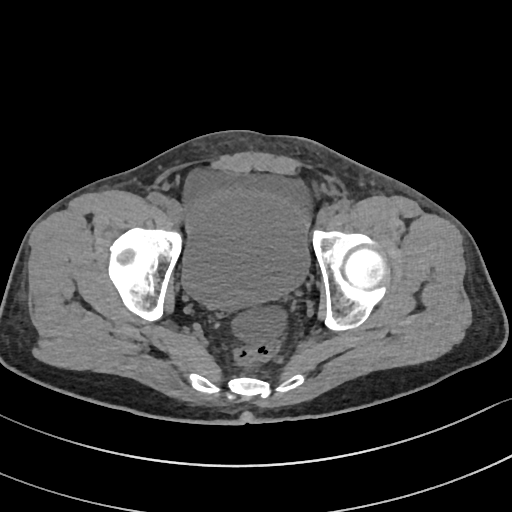 Computed tomography, abdomen; axial plane, index 30; scan has 15 labeled organs (a whole-scan count: organs this slice does not pass through have no box)
Coordinates as <box>x1,y1,x2,y2</box> in pixels. Labeled organs on this slice: bladder at <box>182,187,308,307</box>.